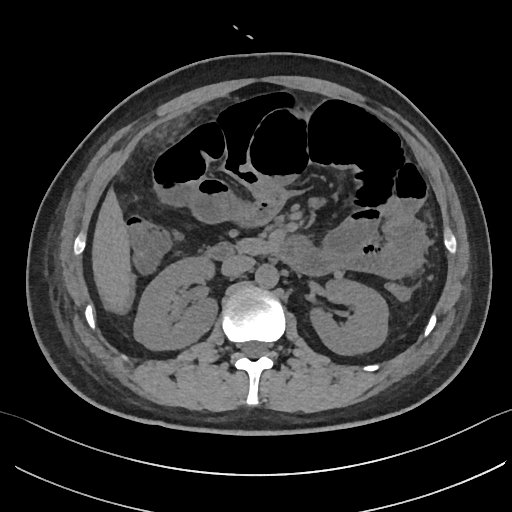

CT abdomen — axial view
Organ boxes in pixel coordinates; each row gives the top-left (x1, y1) and bottom-right (x2, y2) corners.
| organ | x1 | y1 | x2 | y2 |
|---|---|---|---|---|
| liver | 92 | 190 | 134 | 313 |
| pancreas | 236 | 238 | 276 | 253 |
| right kidney | 133 | 257 | 217 | 350 |
| left kidney | 310 | 279 | 388 | 354 |
| duodenum | 205 | 235 | 304 | 265 |
| inferior vena cava | 221 | 255 | 254 | 276 |
| aorta | 255 | 264 | 278 | 287 |